CT abdomen; axial plane, index 138; abdomen soft-tissue window
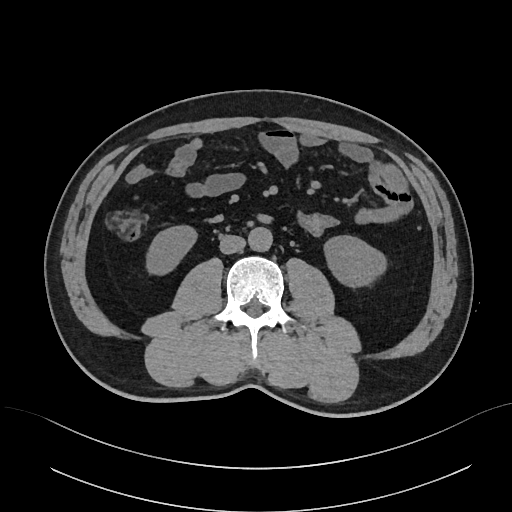

Organ boxes in pixel coordinates; each row gives the top-left (x1, y1) and bottom-right (x2, y2) corners.
| organ | x1 | y1 | x2 | y2 |
|---|---|---|---|---|
| right kidney | 146 | 225 | 196 | 274 |
| left kidney | 324 | 235 | 386 | 286 |
| aorta | 248 | 227 | 272 | 251 |
| inferior vena cava | 219 | 235 | 245 | 254 |